Abdominal CT · axial view · 512x512 px
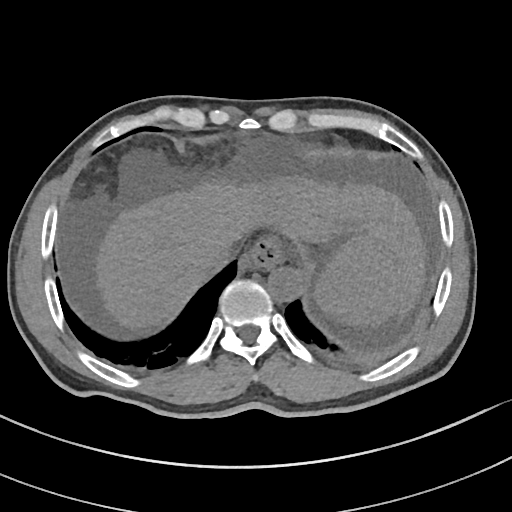

<organs><organ name="spleen" x1="315" y1="235" x2="404" y2="324"/><organ name="esophagus" x1="243" y1="236" x2="286" y2="269"/><organ name="liver" x1="95" y1="184" x2="427" y2="330"/><organ name="aorta" x1="268" y1="267" x2="302" y2="302"/><organ name="inferior vena cava" x1="208" y1="242" x2="235" y2="269"/></organs>